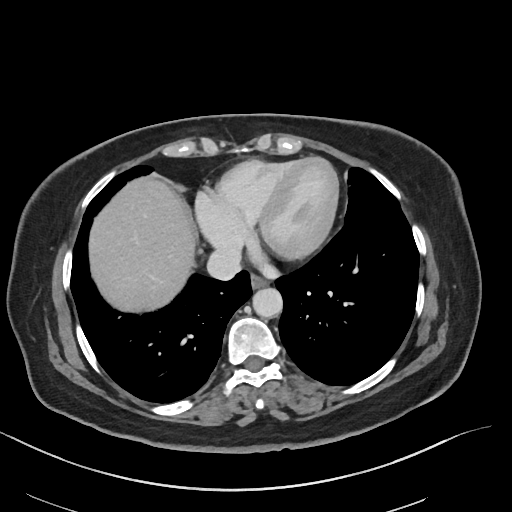 Abdominal CT; axial view; soft-tissue window
<organs><organ name="esophagus" x1="251" y1="273" x2="269" y2="287"/><organ name="liver" x1="90" y1="176" x2="195" y2="313"/><organ name="aorta" x1="252" y1="288" x2="282" y2="317"/><organ name="inferior vena cava" x1="208" y1="250" x2="242" y2="280"/></organs>